Abdominal CT — axial view — W/L 400/40 HU — 512x512 px
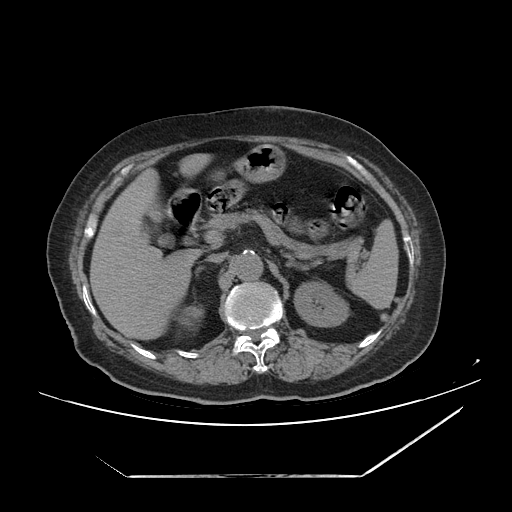
Boxes are (x1, y1, x2, y2) in pixels.
spleen: (346, 219, 398, 309)
right kidney: (175, 303, 204, 329)
left kidney: (294, 281, 348, 326)
gall bladder: (144, 201, 172, 246)
liver: (89, 153, 212, 340)
stomach: (179, 144, 285, 192)
aorta: (231, 252, 262, 280)
inferior vena cava: (207, 253, 225, 263)
pancreas: (205, 209, 363, 263)
right adrenal gland: (195, 267, 203, 275)
left adrenal gland: (283, 253, 305, 269)
duodenum: (167, 189, 201, 241)